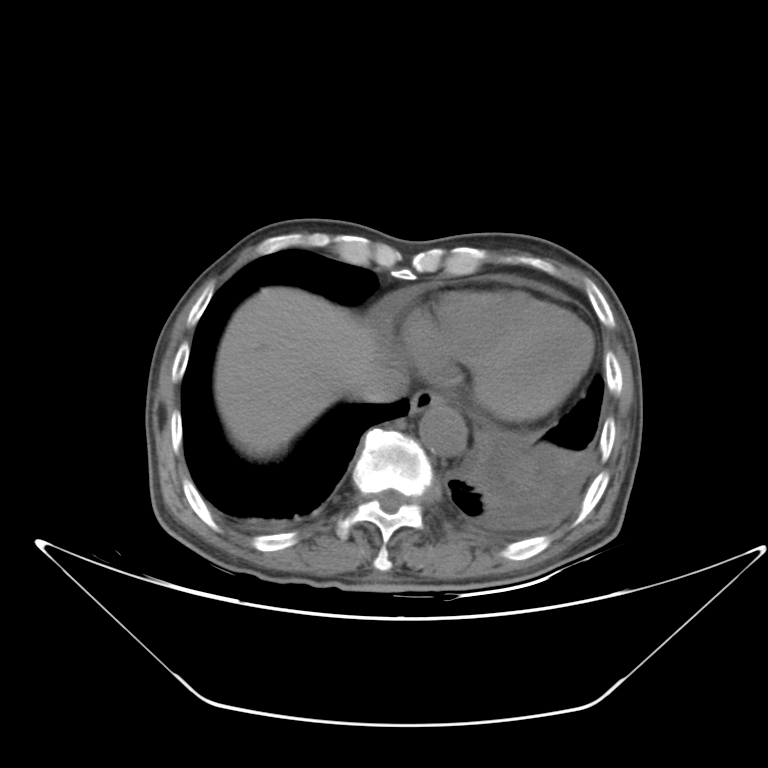

Abdominal CT; axial view; abdomen soft-tissue window; 15 organs annotated in this scan (counted over the whole 3D scan, not this slice; an organ is boxed only where this slice passes through it)
Boxes: x1 y1 x2 y2 (pixel coords, space-separated).
esophagus: 407 387 449 415
liver: 215 285 395 452
aorta: 420 406 466 454
inferior vena cava: 352 364 408 402